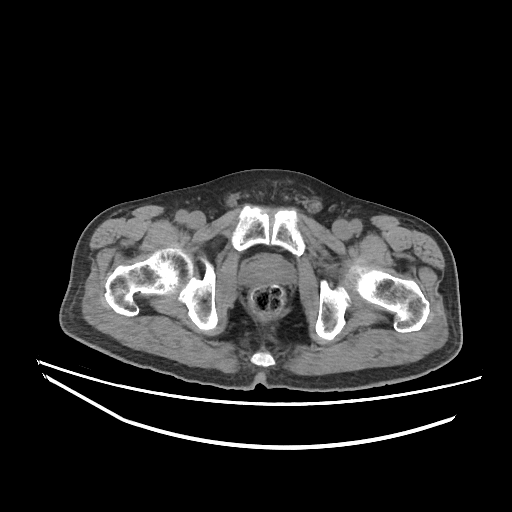

Computed tomography, abdomen · axial view · abdomen soft-tissue window · 68-year-old male patient
{"organs":{"prostate/uterus":[240,254,294,287]}}